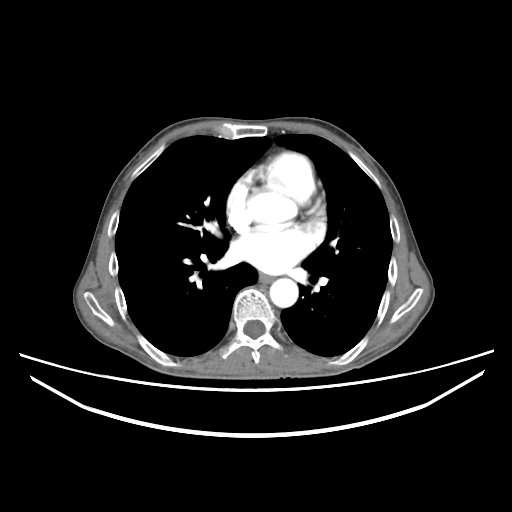 CT of the abdomen reaching into the lower chest, slice just above the liver and spleen; axial view; 512x512 px; 50-year-old male patient
Of the structures in the chest, this dataset labels only the esophagus, the aorta and the inferior vena cava; the heart and lungs have no label.
Box edges are left/top/right/bottom in pixels.
esophagus: left=259, top=273, right=273, bottom=283
aorta: left=269, top=278, right=298, bottom=307